Computed tomography, abdomen; axial view
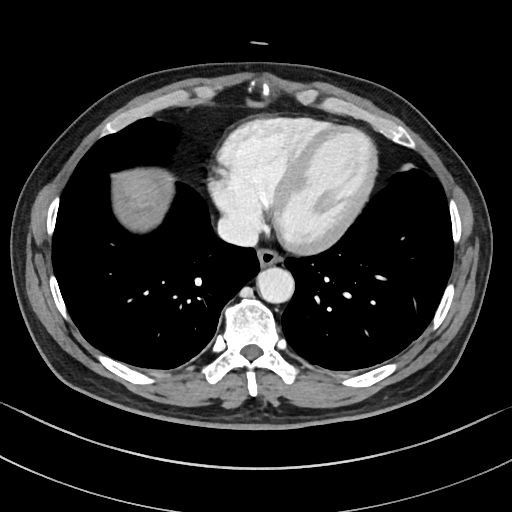
<organs><organ name="esophagus" x1="256" y1="250" x2="280" y2="268"/><organ name="liver" x1="124" y1="177" x2="159" y2="208"/><organ name="aorta" x1="257" y1="267" x2="294" y2="303"/><organ name="inferior vena cava" x1="218" y1="214" x2="258" y2="247"/></organs>